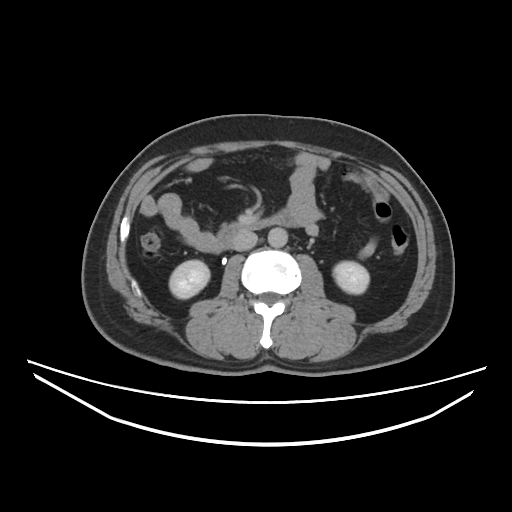
CT abdomen. axial plane, index 72. soft-tissue window (W 400 / L 40). 55-year-old male patient. Aquilion ONE scanner. scan has 15 labeled organs (that count is for the whole scan; organs this slice misses have no box)
<organs><organ name="right kidney" x1="170" y1="260" x2="209" y2="298"/><organ name="left kidney" x1="333" y1="260" x2="369" y2="293"/><organ name="aorta" x1="268" y1="228" x2="287" y2="248"/><organ name="inferior vena cava" x1="233" y1="231" x2="258" y2="251"/><organ name="duodenum" x1="217" y1="211" x2="300" y2="247"/></organs>